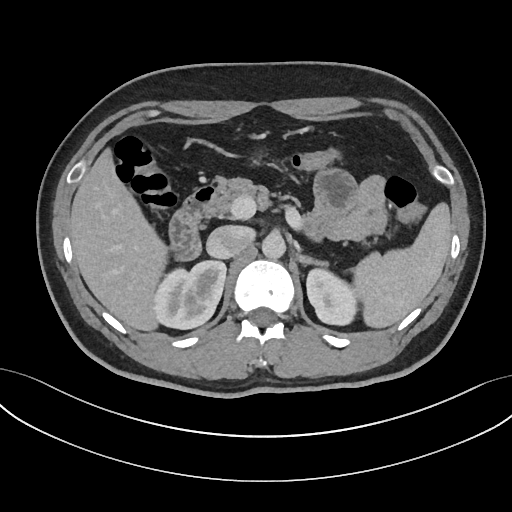
CT abdomen. axial view. 512x512 px. scan has 15 labeled organs (that count is for the whole scan; organs this slice misses have no box)
<organs><organ name="spleen" x1="353" y1="202" x2="451" y2="329"/><organ name="right kidney" x1="153" y1="261" x2="226" y2="328"/><organ name="left kidney" x1="306" y1="266" x2="356" y2="326"/><organ name="liver" x1="69" y1="145" x2="168" y2="331"/><organ name="aorta" x1="261" y1="234" x2="285" y2="259"/><organ name="inferior vena cava" x1="206" y1="226" x2="253" y2="259"/><organ name="pancreas" x1="211" y1="178" x2="297" y2="215"/><organ name="left adrenal gland" x1="297" y1="250" x2="330" y2="265"/><organ name="duodenum" x1="170" y1="185" x2="218" y2="258"/></organs>